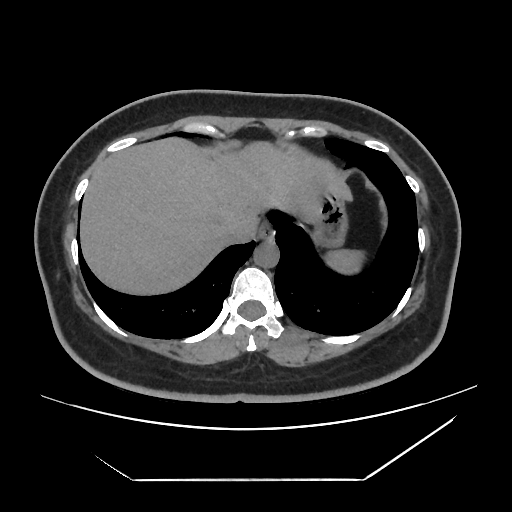
Computed tomography, abdomen · Axial slice 289/345 · 512x512 px
Bounding boxes as [x1, y1, x2, y2] in pixel coordinates.
inferior vena cava: [221, 219, 258, 245]
spleen: [325, 250, 359, 273]
stomach: [308, 183, 345, 245]
liver: [79, 136, 354, 297]
esophagus: [258, 222, 274, 240]
aorta: [254, 241, 279, 267]